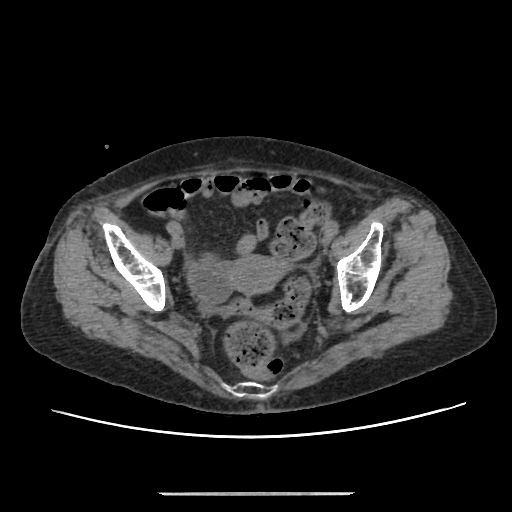

Abdominal CT — Axial slice 84/353 — soft-tissue window (W 400 / L 40) — 512x512 px — scan has 14 labeled organs (a whole-scan count: organs this slice does not pass through have no box)
{"organs":{"prostate/uterus":[227,255,285,294]}}